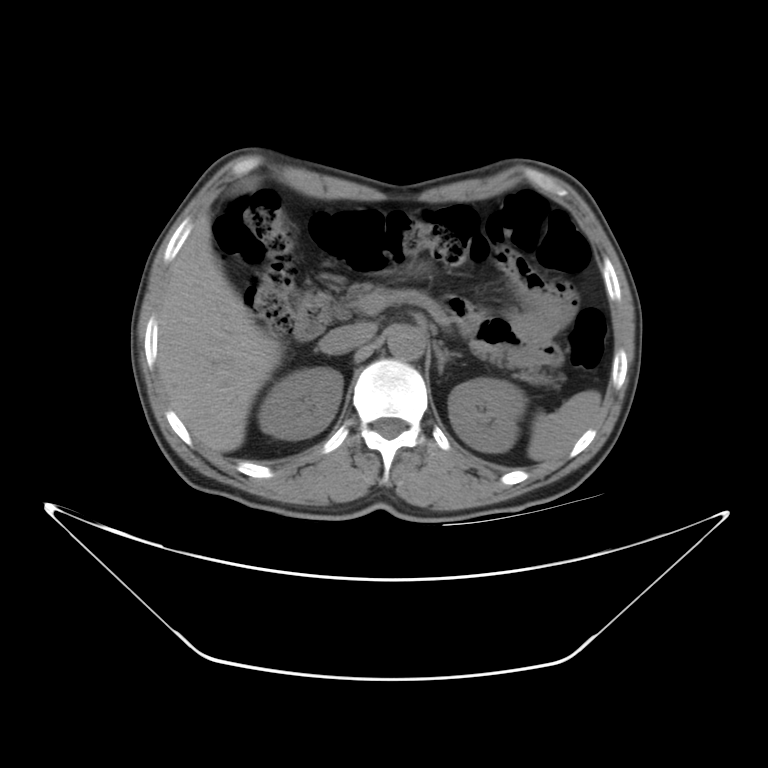
Abdominal CT; axial plane, index 67; soft-tissue window (W 400 / L 40); scan has 15 labeled organs (that count is for the whole scan; organs this slice misses have no box)
Each box given as x1,y1,x2,y2. The annotated organs in this slice are: spleen at x1=526, y1=390, x2=602, y2=460, right kidney at x1=258, y1=368, x2=342, y2=438, left kidney at x1=447, y1=378, x2=524, y2=453, liver at x1=157, y1=215, x2=281, y2=453, aorta at x1=386, y1=323, x2=424, y2=359, inferior vena cava at x1=318, y1=322, x2=379, y2=352, pancreas at x1=302, y1=284, x2=549, y2=382, left adrenal gland at x1=433, y1=339, x2=461, y2=370, duodenum at x1=293, y1=288, x2=336, y2=342.